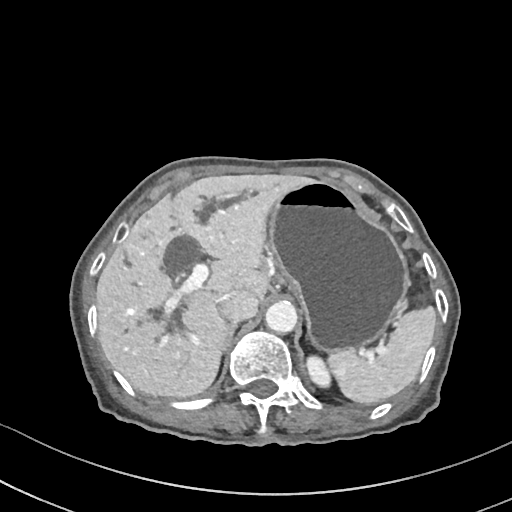

Computed tomography, abdomen. axial view
<organs><organ name="stomach" x1="268" y1="181" x2="409" y2="353"/><organ name="left kidney" x1="306" y1="355" x2="330" y2="387"/><organ name="right adrenal gland" x1="226" y1="324" x2="236" y2="345"/><organ name="aorta" x1="265" y1="300" x2="297" y2="333"/><organ name="inferior vena cava" x1="218" y1="290" x2="258" y2="323"/><organ name="liver" x1="96" y1="174" x2="314" y2="398"/><organ name="spleen" x1="329" y1="307" x2="435" y2="404"/></organs>